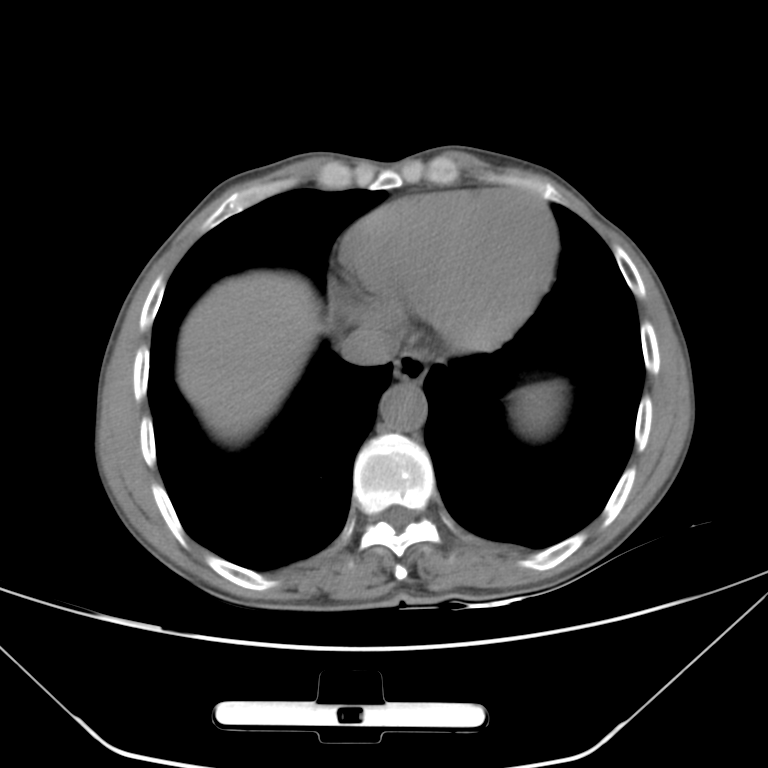

Computed tomography, abdomen; axial view; abdomen soft-tissue window; 768x768 px
Boxes are (x1, y1, x2, y2) in pixels.
Organ bounding boxes:
- inferior vena cava: (340, 324, 398, 365)
- spleen: (511, 382, 562, 433)
- aorta: (379, 382, 427, 432)
- esophagus: (394, 349, 427, 381)
- liver: (178, 272, 324, 440)